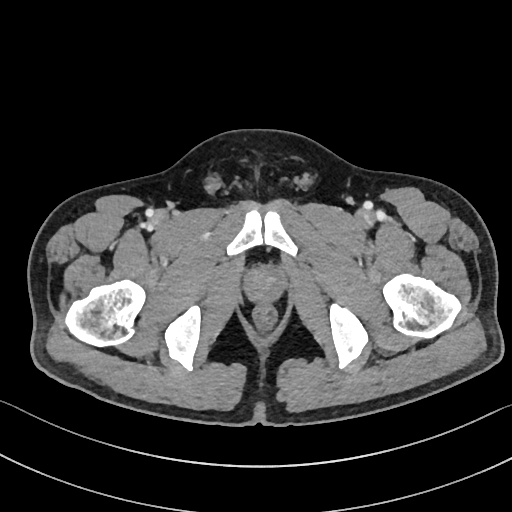
Abdominal CT · axial view · 512x512 px
Boxes are (x1, y1, x2, y2) in pixels.
Organ bounding boxes:
- prostate/uterus: (245, 270, 282, 301)